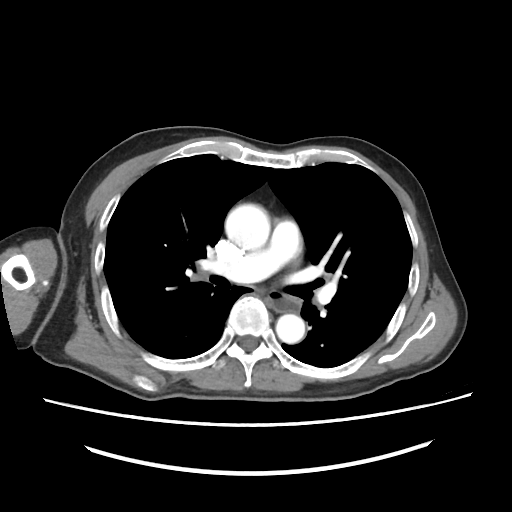
Abdominal CT reaching into the chest; this slice is in the chest — axial view — soft-tissue window (W 400 / L 40) — 512x512 px
At this level of the chest this dataset labels only the esophagus and the aorta, and each is boxed only where it is labeled; the heart and lungs are never labeled.
Box edges are left/top/right/bottom in pixels.
esophagus: left=268, top=291, right=299, bottom=311
aorta: left=225, top=202, right=270, bottom=252
aorta: left=276, top=314, right=307, bottom=344